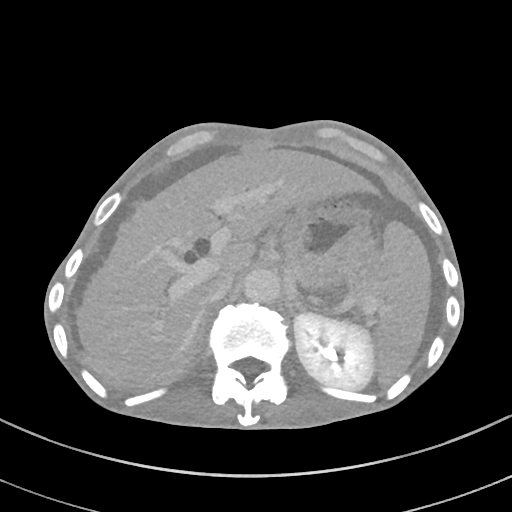

CT, abdomen/pelvis — axial plane, index 69 — acquired on SOMATOM Force
{"organs":{"spleen":[374,222,431,383],"left kidney":[293,313,373,389],"liver":[78,149,373,384],"stomach":[279,204,375,287],"aorta":[243,269,280,303],"inferior vena cava":[204,273,233,303],"left adrenal gland":[285,290,304,315]}}